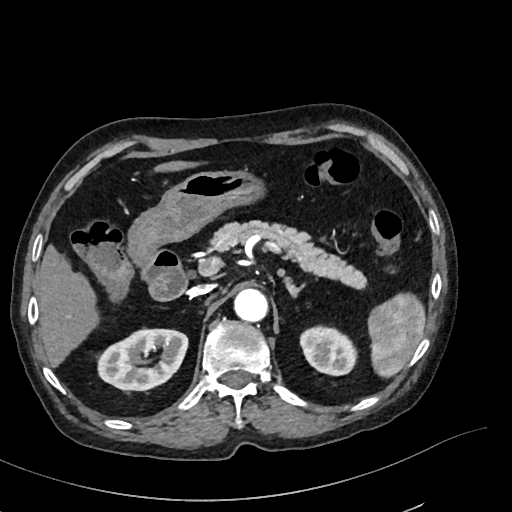 Computed tomography, abdomen — axial view — soft-tissue window — 512x512 px
Box edges are left/top/right/bottom in pixels.
left kidney: left=301, top=328, right=355, bottom=374
right kidney: left=99, top=329, right=187, bottom=389
liver: left=35, top=160, right=198, bottom=366
left adrenal gland: left=286, top=279, right=308, bottom=299
pancreas: left=213, top=221, right=367, bottom=288
duodenum: left=139, top=248, right=187, bottom=300
inferior vena cava: left=187, top=285, right=211, bottom=297
stomach: left=126, top=169, right=262, bottom=267
aorta: left=233, top=289, right=268, bottom=322
spleen: left=369, top=293, right=425, bottom=374